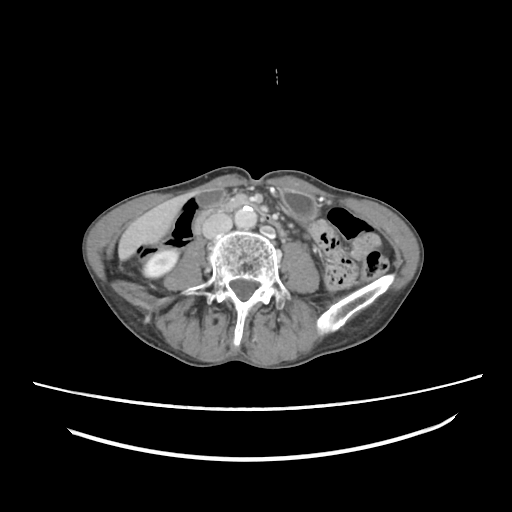 CT abdomen. axial view. W/L 400/40 HU. 59-year-old male patient. acquired on Aquilion ONE. 15 organs annotated in this scan (a whole-scan count: organs this slice does not pass through have no box)
Box edges are left/top/right/bottom in pixels.
Organ bounding boxes:
- stomach: left=281, top=189, right=317, bottom=221
- gall bladder: left=197, top=188, right=226, bottom=207
- inferior vena cava: left=202, top=213, right=232, bottom=238
- aorta: left=234, top=206, right=256, bottom=229
- pancreas: left=225, top=195, right=246, bottom=206
- duodenum: left=192, top=198, right=287, bottom=239
- right kidney: left=143, top=249, right=177, bottom=277
- liver: left=118, top=191, right=198, bottom=259